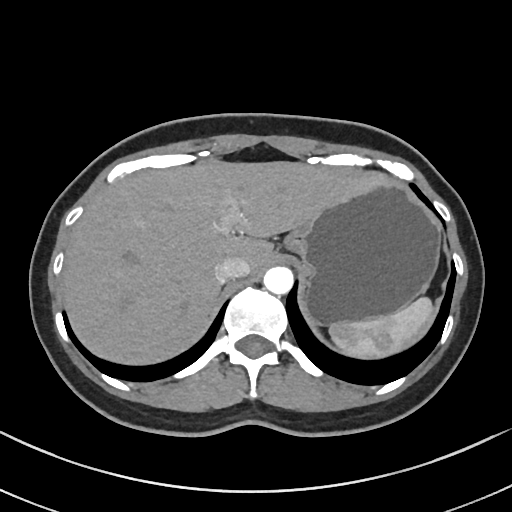
CT abdomen · axial plane, index 194
Coordinates as <box>x1,y1,x2,y2</box> in pixels.
spleen: <box>329,297,434,359</box>
liver: <box>61,158,386,366</box>
stomach: <box>286,178,440,326</box>
aorta: <box>263,266,293,294</box>
inferior vena cava: <box>215,257,250,282</box>